CT, abdomen/pelvis — Axial slice 71/84
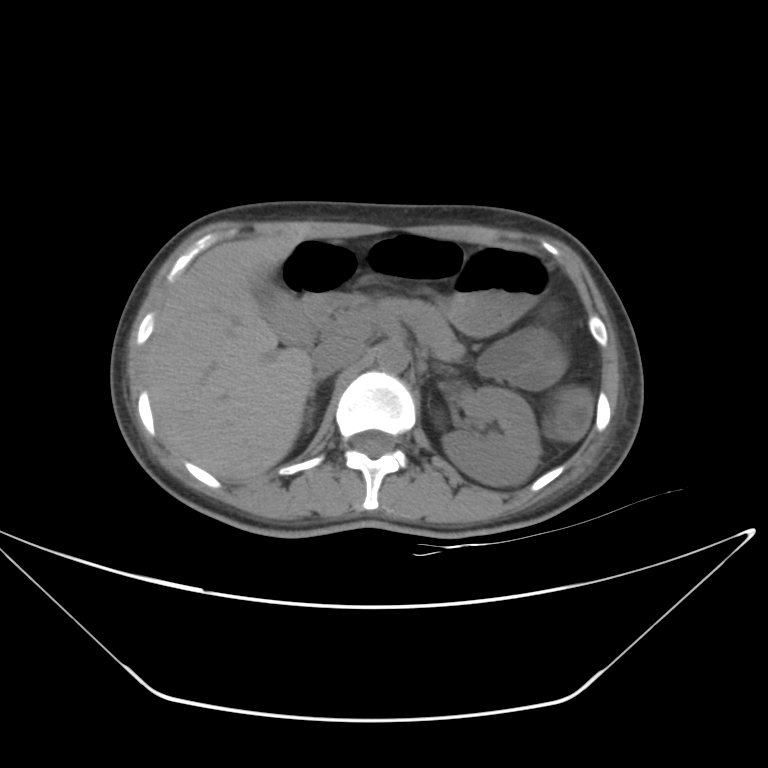

One row per box, in pixels: columns x1 and y1 give the top-left corner, x2 and y2 the bottom-right.
| organ | x1 | y1 | x2 | y2 |
|---|---|---|---|---|
| left kidney | 442 | 387 | 541 | 485 |
| gall bladder | 251 | 273 | 313 | 345 |
| liver | 146 | 235 | 311 | 481 |
| stomach | 444 | 245 | 549 | 335 |
| aorta | 377 | 342 | 408 | 373 |
| inferior vena cava | 312 | 337 | 363 | 376 |
| pancreas | 342 | 293 | 462 | 360 |
| right adrenal gland | 310 | 377 | 325 | 399 |
| duodenum | 296 | 293 | 346 | 333 |